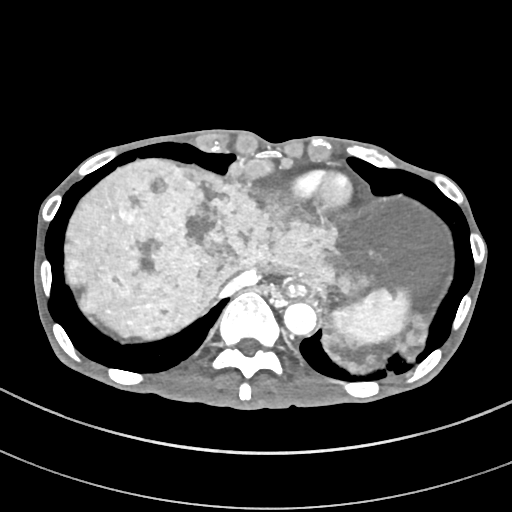
Computed tomography, abdomen — axial view — 512x512 px
<organs><organ name="inferior vena cava" x1="218" y1="269" x2="258" y2="299"/><organ name="esophagus" x1="287" y1="284" x2="306" y2="296"/><organ name="aorta" x1="283" y1="302" x2="317" y2="335"/><organ name="liver" x1="65" y1="158" x2="449" y2="376"/><organ name="spleen" x1="333" y1="289" x2="409" y2="343"/></organs>